Abdominal CT — axial view — acquired on Brilliance16 — scan has 14 labeled organs (counted over the whole 3D scan, not this slice; an organ is boxed only where this slice passes through it)
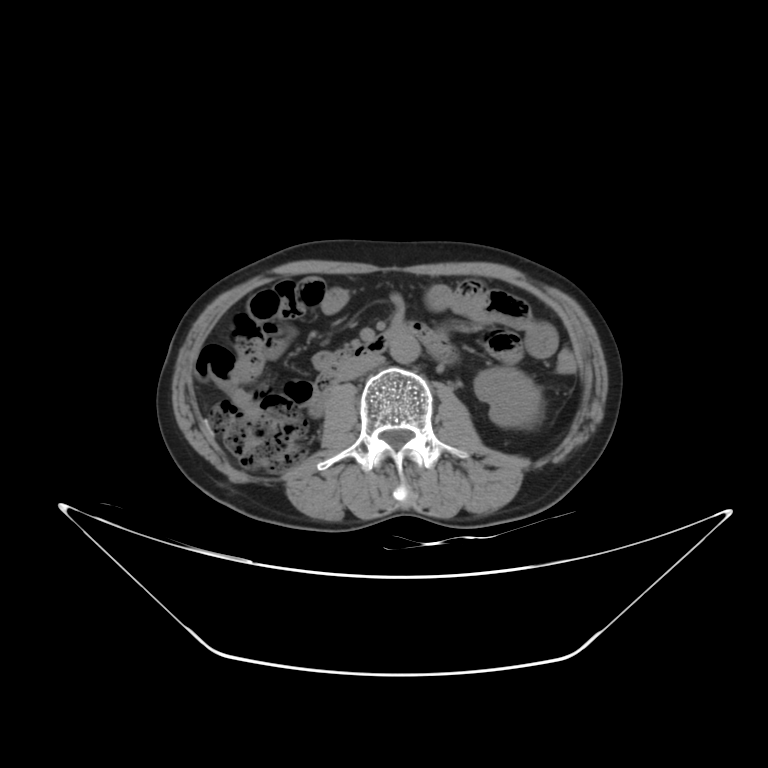 {"organs":{"left kidney":[474,367,542,427],"aorta":[389,334,420,363],"inferior vena cava":[340,354,383,380],"duodenum":[310,323,428,415]}}